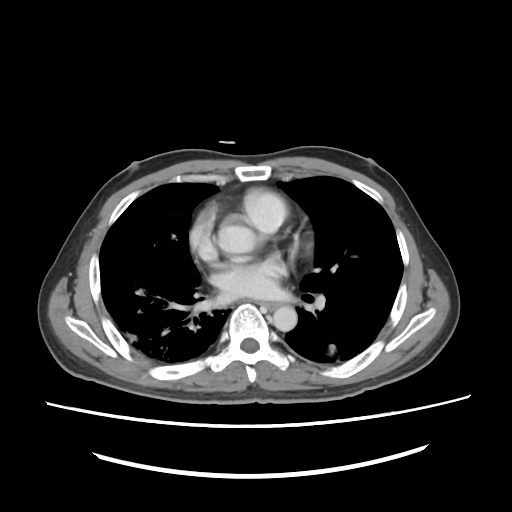
CT of the abdomen reaching into the lower chest, slice just above the liver and spleen · axial view · soft-tissue window, W/L 400/40 · 45-year-old male patient · Aquilion ONE scanner · scan has 15 labeled organs (that count is for the whole scan; organs this slice misses have no box)
No part of the heart or lungs is labeled in this dataset, so neither has a box here.
Bounding boxes as [x1, y1, x2, y2] in pixel coordinates.
aorta: [217, 223, 256, 254]
aorta: [272, 307, 296, 331]